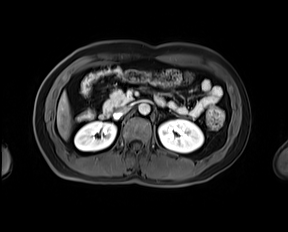
MRI, abdomen. Axial slice 23/72
{"organs":{"right kidney":[74,121,116,151],"left kidney":[158,119,203,152],"liver":[57,92,71,139],"aorta":[138,103,150,114],"inferior vena cava":[113,106,130,118],"pancreas":[103,90,132,112],"duodenum":[99,112,109,119]}}